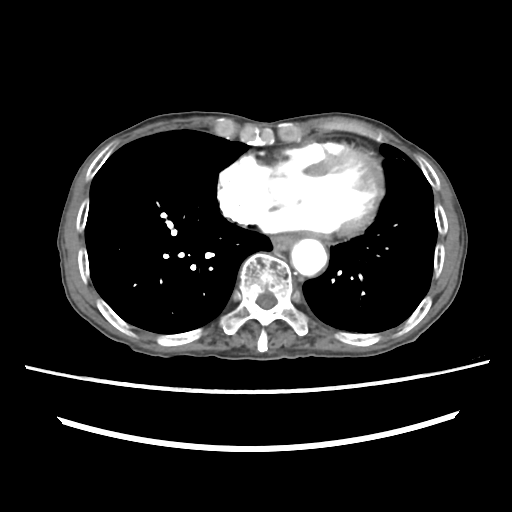
Abdominal CT; this slice is in the lower chest, just above the liver; axial view; 81-year-old male patient; Aquilion ONE scanner
The heart and lungs are never labeled in this dataset, so they have no box on this slice.
{"organs":{"esophagus":[271,235,295,249],"aorta":[291,239,327,275]}}